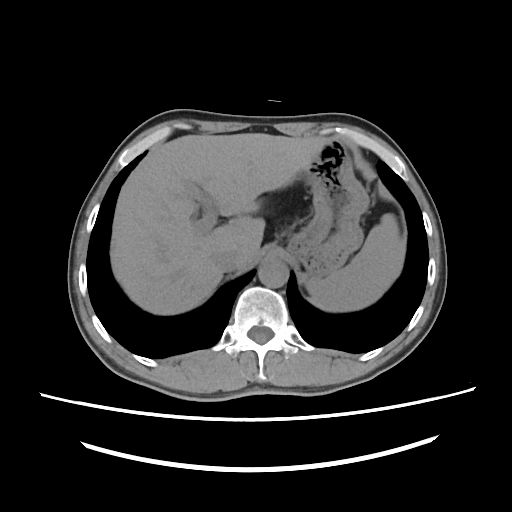
CT abdomen · axial view · soft-tissue window (W 400 / L 40) · 512x512 px
Bounding boxes in pixels, one row per box: x1, y1 is the top-left corner and x2, y2 the bottom-right.
| organ | x1 | y1 | x2 | y2 |
|---|---|---|---|---|
| aorta | 258 | 259 | 288 | 287 |
| spleen | 306 | 213 | 403 | 310 |
| liver | 109 | 133 | 338 | 314 |
| stomach | 287 | 138 | 369 | 277 |
| inferior vena cava | 209 | 248 | 240 | 272 |